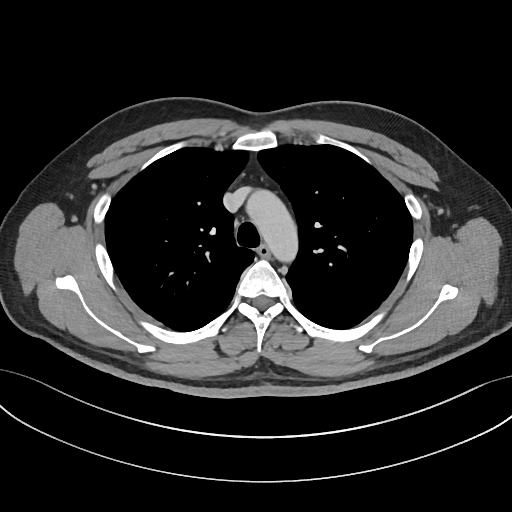

CT of the abdomen extending into the chest, slice through the chest. axial view. 512x512 px
At this level of the chest this dataset labels only the esophagus and the aorta, and each is boxed only where it is labeled; the heart and lungs are never labeled.
Boxes are (x1, y1, x2, y2) in pixels.
Organ bounding boxes:
- esophagus: (257, 244, 270, 257)
- aorta: (246, 190, 298, 261)